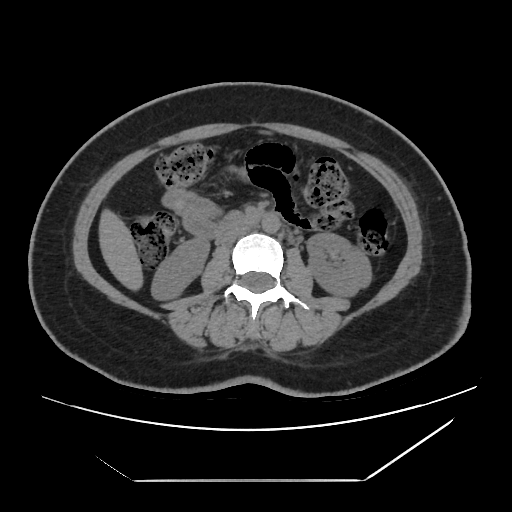
CT, abdomen/pelvis; axial view; 512x512 px
Each box given as x1,y1,x2,y2.
Organ bounding boxes:
- liver: x1=99, y1=209, x2=143, y2=290
- inferior vena cava: x1=220, y1=225, x2=250, y2=245
- aorta: x1=261, y1=214, x2=280, y2=233
- left kidney: x1=307, y1=232, x2=371, y2=296
- right kidney: x1=151, y1=238, x2=209, y2=300
- duodenum: x1=213, y1=212, x2=267, y2=239